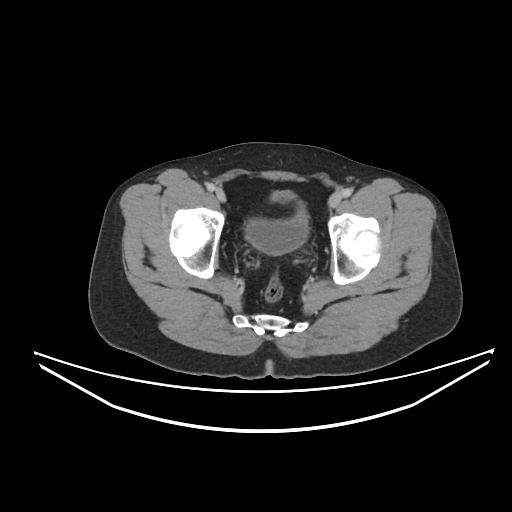 Abdominal CT · axial view · 512x512 px · 40-year-old male patient · acquired on Aquilion ONE
Box edges are left/top/right/bottom in pixels.
Organ bounding boxes:
- bladder: left=245, top=192, right=308, bottom=254